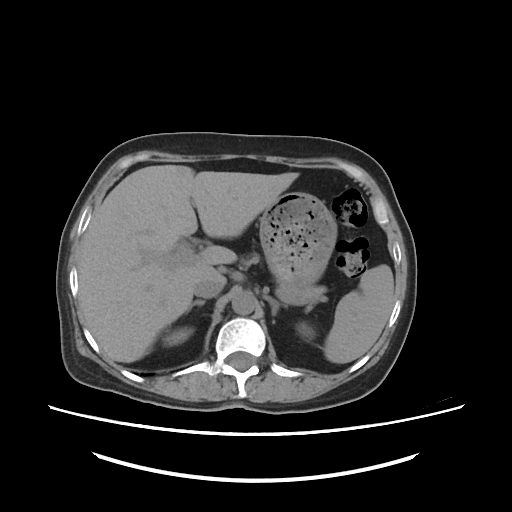
CT, abdomen/pelvis; Axial slice 71/85; soft-tissue window (W 400 / L 40)
<organs><organ name="spleen" x1="322" y1="263" x2="394" y2="364"/><organ name="right kidney" x1="165" y1="330" x2="191" y2="346"/><organ name="left kidney" x1="295" y1="322" x2="310" y2="337"/><organ name="liver" x1="78" y1="165" x2="299" y2="362"/><organ name="stomach" x1="259" y1="192" x2="337" y2="289"/><organ name="aorta" x1="231" y1="290" x2="257" y2="314"/><organ name="inferior vena cava" x1="194" y1="279" x2="225" y2="296"/><organ name="pancreas" x1="246" y1="258" x2="324" y2="298"/><organ name="right adrenal gland" x1="185" y1="299" x2="205" y2="312"/><organ name="left adrenal gland" x1="265" y1="294" x2="289" y2="316"/></organs>